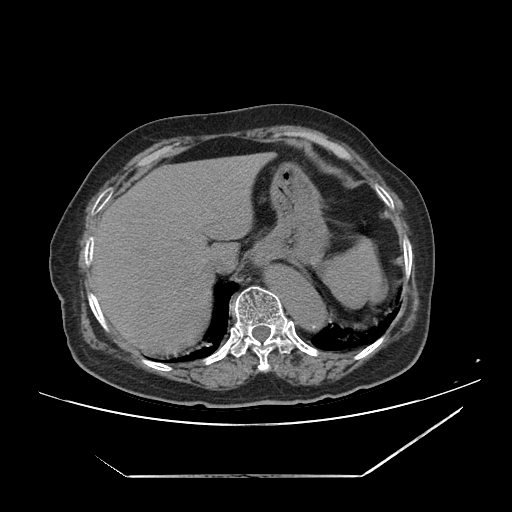 Computed tomography, abdomen; axial view; 512x512 px
Coordinates as <box>x1,y1,x2,y2</box> in pixels.
esophagus: <box>252,257,267,270</box>
stomach: <box>253,165,330,266</box>
aorta: <box>268,269,327,333</box>
inferior vena cava: <box>204,249,236,274</box>
spleen: <box>319,237,385,307</box>
liver: <box>93,152,276,354</box>